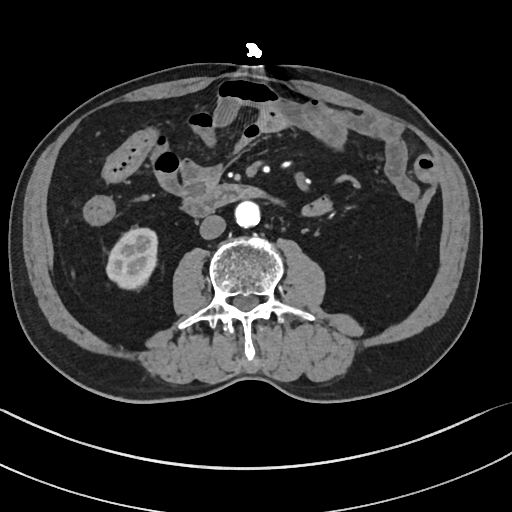
Computed tomography, abdomen. Axial slice 122/306. soft-tissue window (W 400 / L 40)
Boxes: x1:y1:x2:y2 in pixels.
Organ bounding boxes:
- duodenum: 182:184:261:217
- inferior vena cava: 199:215:225:239
- aorta: 234:201:260:227
- right kidney: 106:228:157:289